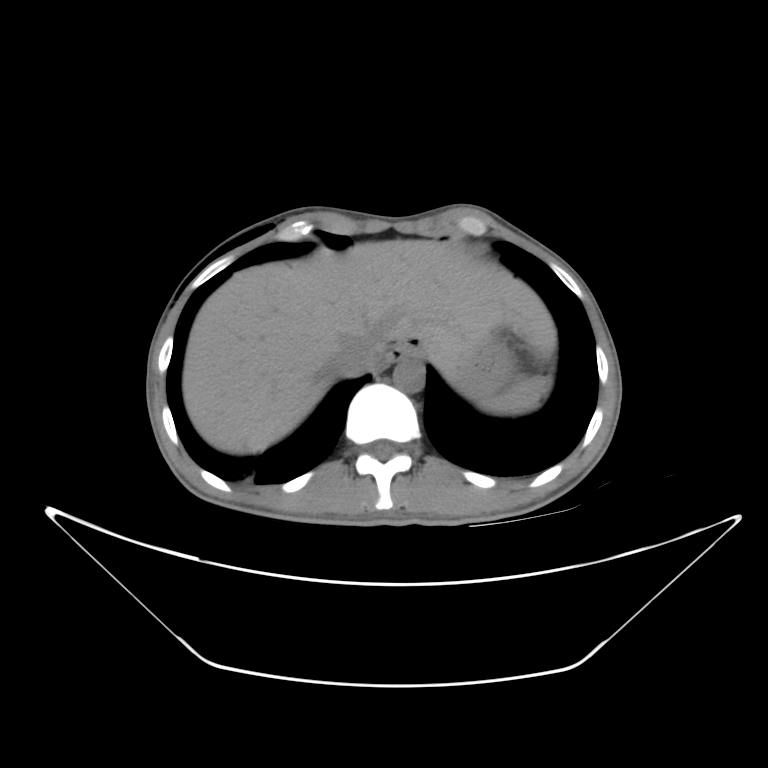 Computed tomography, abdomen — axial view — 33-year-old male patient — Brilliance16 scanner — scan has 15 labeled organs (counted over the whole 3D scan, not this slice; an organ is boxed only where this slice passes through it)
One row per box, in pixels: columns x1 and y1 give the top-left corner, x2 and y2 the bottom-right.
| organ | x1 | y1 | x2 | y2 |
|---|---|---|---|---|
| spleen | 482 | 378 | 549 | 415 |
| esophagus | 380 | 346 | 414 | 365 |
| liver | 182 | 233 | 552 | 452 |
| stomach | 464 | 336 | 513 | 398 |
| aorta | 392 | 361 | 421 | 390 |
| inferior vena cava | 332 | 340 | 378 | 375 |